Chest-level CT slice, above the liver and spleen · Axial slice 225/284 · 512x512 px
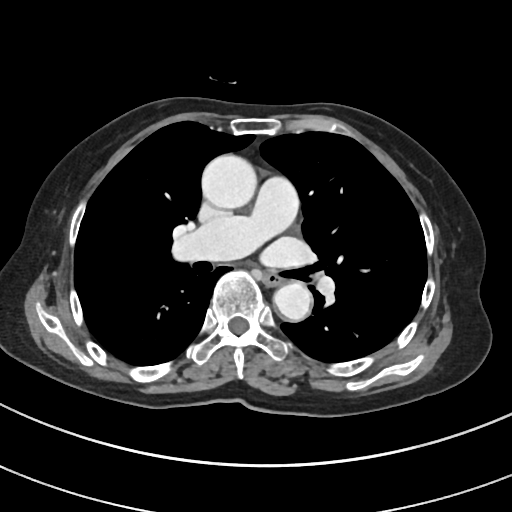 At this level of the chest this dataset labels only the esophagus and the aorta, and each is boxed only where it is labeled; the heart and lungs are never labeled.
<organs><organ name="esophagus" x1="264" y1="270" x2="284" y2="285"/><organ name="aorta" x1="201" y1="154" x2="256" y2="208"/><organ name="aorta" x1="273" y1="283" x2="311" y2="321"/></organs>